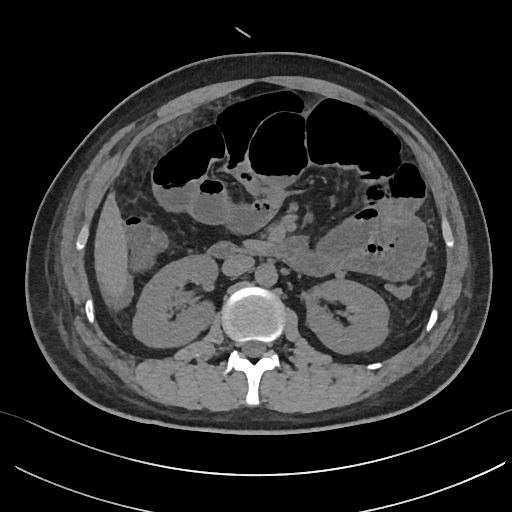

Abdominal CT; axial plane, index 146
<organs><organ name="pancreas" x1="247" y1="242" x2="265" y2="248"/><organ name="aorta" x1="254" y1="263" x2="277" y2="286"/><organ name="left kidney" x1="300" y1="280" x2="390" y2="353"/><organ name="duodenum" x1="207" y1="237" x2="304" y2="264"/><organ name="liver" x1="95" y1="195" x2="128" y2="295"/><organ name="inferior vena cava" x1="222" y1="254" x2="254" y2="276"/><organ name="right kidney" x1="131" y1="254" x2="217" y2="346"/></organs>